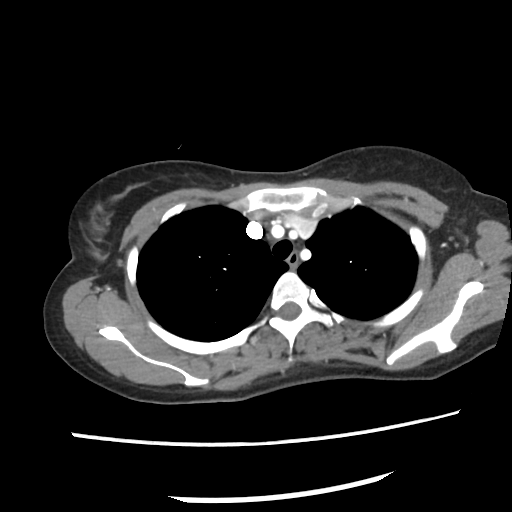

Abdominal CT reaching into the chest; this slice is in the chest; axial plane, index 113; scan has 15 labeled organs (a whole-scan count: organs this slice does not pass through have no box)
At this level of the chest this dataset labels only the esophagus and the aorta, and each is boxed only where it is labeled; the heart and lungs are never labeled.
Box edges are left/top/right/bottom in pixels.
esophagus: left=286, top=252, right=299, bottom=270